Computed tomography, abdomen. Axial slice 103/305. soft-tissue window. 512x512 px. SOMATOM Force scanner
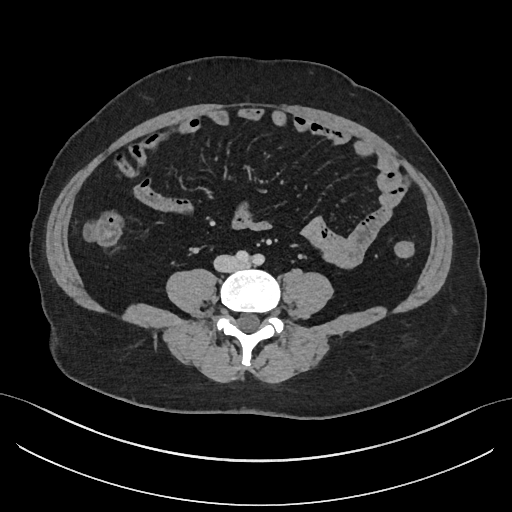

Boxes: x1 y1 x2 y2 (pixel coords, space-separated). The annotated organs in this slice are: inferior vena cava at 214 255 241 272.